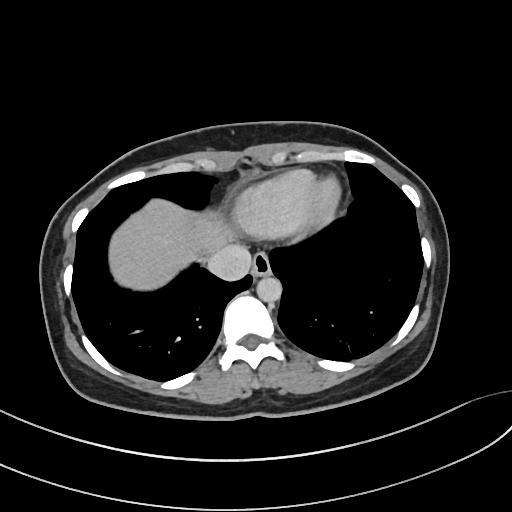 Computed tomography, abdomen; axial plane, index 201; 512x512 px
Bounding boxes in pixels, one row per box: x1, y1 is the top-left corner and x2, y2 the bottom-right.
| organ | x1 | y1 | x2 | y2 |
|---|---|---|---|---|
| liver | 108 | 200 | 240 | 289 |
| aorta | 256 | 275 | 281 | 302 |
| inferior vena cava | 206 | 244 | 251 | 280 |
| esophagus | 252 | 251 | 271 | 275 |